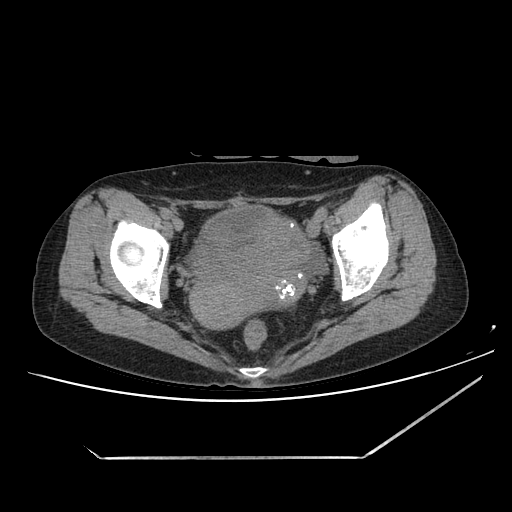 CT, abdomen/pelvis — Axial slice 22/143
Boxes: x1 y1 x2 y2 (pixel coords, space-separated).
Organ bounding boxes:
- bladder: 201 206 273 238
- prostate/uterus: 191 216 311 327